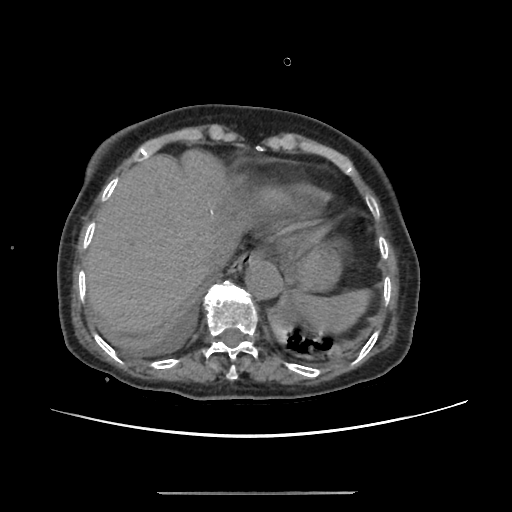
CT abdomen; axial view; soft-tissue window (W 400 / L 40); 14 organs annotated in this scan (that count is for the whole scan; organs this slice misses have no box)
<organs><organ name="inferior vena cava" x1="205" y1="236" x2="236" y2="269"/><organ name="stomach" x1="288" y1="245" x2="340" y2="290"/><organ name="aorta" x1="245" y1="260" x2="283" y2="300"/><organ name="liver" x1="86" y1="150" x2="249" y2="331"/><organ name="spleen" x1="292" y1="291" x2="368" y2="332"/><organ name="esophagus" x1="229" y1="252" x2="260" y2="274"/></organs>